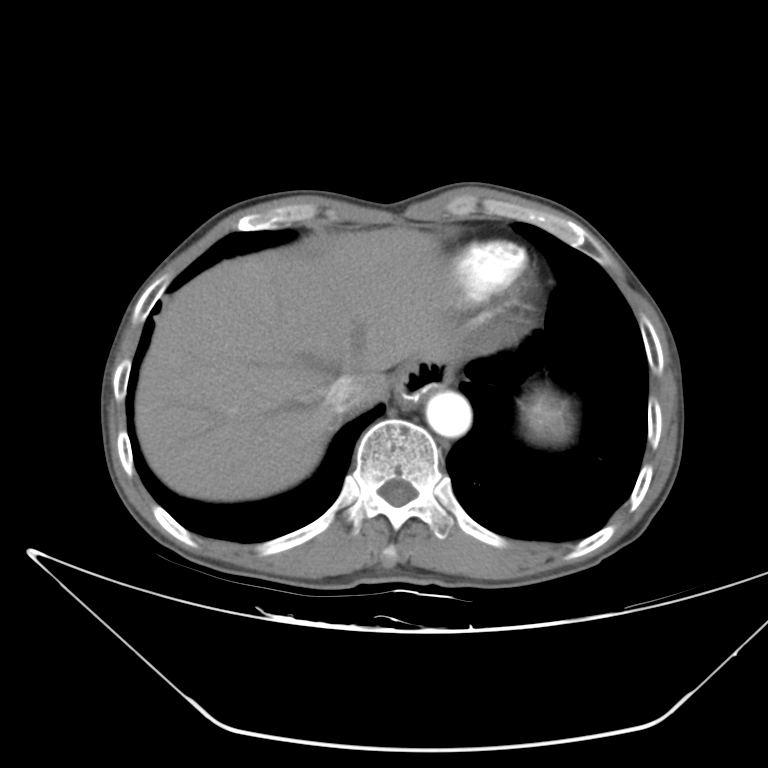 Computed tomography, abdomen — axial view — soft-tissue window (W 400 / L 40) — scan has 13 labeled organs (that count is for the whole scan; organs this slice misses have no box)
Organ boxes in pixel coordinates; each row gives the top-left (x1, y1) and bottom-right (x2, y2) corners.
| organ | x1 | y1 | x2 | y2 |
|---|---|---|---|---|
| spleen | 525 | 394 | 571 | 441 |
| stomach | 393 | 359 | 457 | 408 |
| inferior vena cava | 326 | 375 | 369 | 413 |
| aorta | 425 | 391 | 471 | 437 |
| liver | 135 | 228 | 455 | 501 |